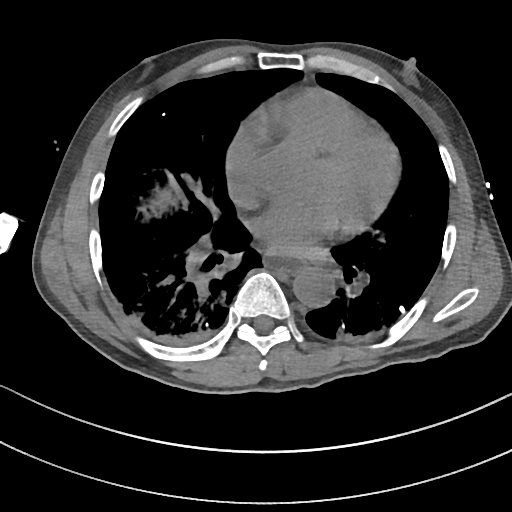
Abdominal CT; this slice is in the lower chest, just above the liver; axial view; 512x512 px; 15 organs annotated in this scan (counted over the whole 3D scan, not this slice; an organ is boxed only where this slice passes through it)
No part of the heart or lungs is labeled in this dataset, so neither has a box here.
<organs><organ name="esophagus" x1="264" y1="256" x2="305" y2="273"/><organ name="aorta" x1="292" y1="268" x2="333" y2="307"/></organs>